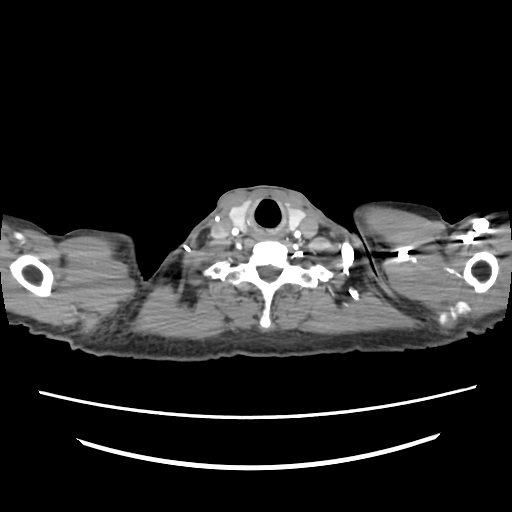 CT of the abdomen extending into the chest, slice through the chest · axial view · soft-tissue window, W/L 400/40 · 65-year-old male patient
At this level of the chest no structure but the esophagus and the aorta has a label in this dataset, and those two are boxed only where they are labeled.
Bounding boxes in pixels, one row per box: x1, y1 is the top-left corner and x2, y2 the bottom-right.
| organ | x1 | y1 | x2 | y2 |
|---|---|---|---|---|
| esophagus | 255 | 232 | 277 | 240 |